CT, abdomen/pelvis · axial view · 512x512 px · scan has 15 labeled organs (a whole-scan count: organs this slice does not pass through have no box)
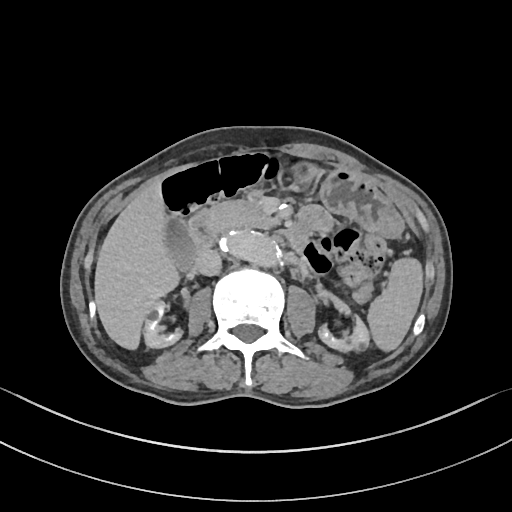

<organs><organ name="spleen" x1="367" y1="257" x2="423" y2="351"/><organ name="right kidney" x1="143" y1="301" x2="182" y2="348"/><organ name="left kidney" x1="319" y1="317" x2="369" y2="351"/><organ name="gall bladder" x1="165" y1="216" x2="195" y2="269"/><organ name="liver" x1="94" y1="182" x2="179" y2="349"/><organ name="stomach" x1="290" y1="161" x2="403" y2="237"/><organ name="aorta" x1="218" y1="229" x2="280" y2="266"/><organ name="inferior vena cava" x1="195" y1="249" x2="221" y2="275"/><organ name="pancreas" x1="208" y1="191" x2="278" y2="235"/><organ name="duodenum" x1="188" y1="212" x2="307" y2="255"/></organs>